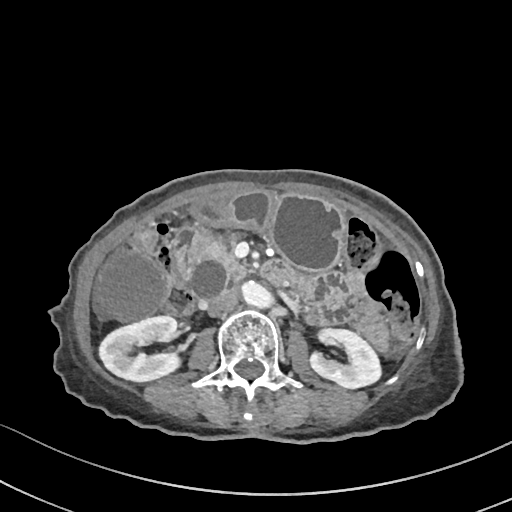
CT, abdomen/pelvis; axial view; soft-tissue window (W 400 / L 40); 15 organs annotated in this scan (a whole-scan count: organs this slice does not pass through have no box)
Bounding boxes in pixels, one row per box: x1, y1 is the top-left corner and x2, y2 the bottom-right.
| organ | x1 | y1 | x2 | y2 |
|---|---|---|---|---|
| right kidney | 99 | 316 | 183 | 381 |
| left kidney | 308 | 328 | 382 | 389 |
| gall bladder | 96 | 251 | 165 | 319 |
| stomach | 191 | 192 | 345 | 271 |
| aorta | 242 | 283 | 277 | 309 |
| inferior vena cava | 207 | 288 | 239 | 316 |
| pancreas | 200 | 237 | 245 | 279 |
| duodenum | 174 | 227 | 292 | 283 |